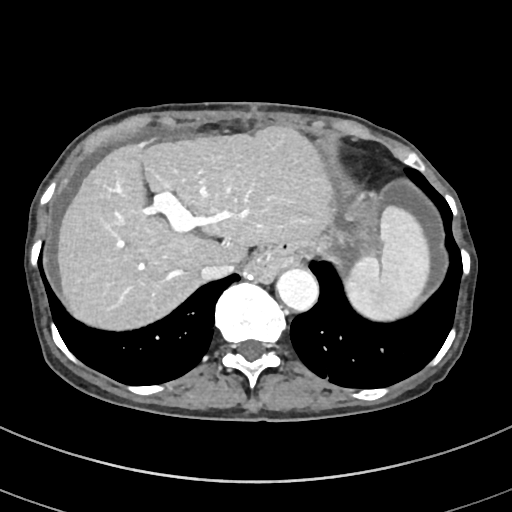

Abdominal CT. axial view. abdomen soft-tissue window. 512x512 px
<organs><organ name="spleen" x1="347" y1="206" x2="431" y2="321"/><organ name="liver" x1="58" y1="127" x2="335" y2="328"/><organ name="aorta" x1="277" y1="269" x2="319" y2="312"/><organ name="inferior vena cava" x1="199" y1="259" x2="236" y2="279"/></organs>